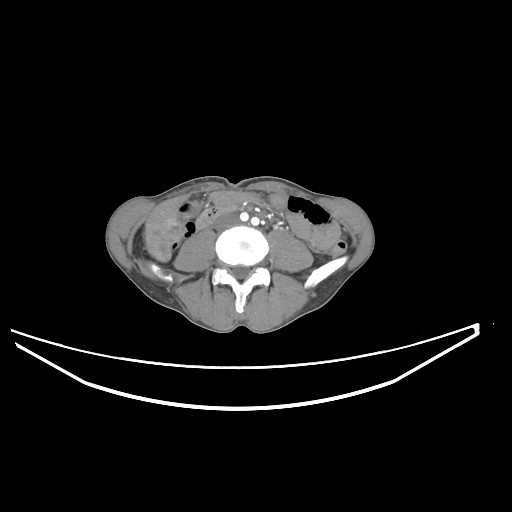

CT, abdomen/pelvis; axial view; soft-tissue window
Boxes: x1:y1:x2:y2 in pixels. The annotated organs in this slice are: gall bladder at 190:202:199:214, liver at 145:195:188:261, inferior vena cava at 214:214:237:230, duodenum at 196:206:237:230.